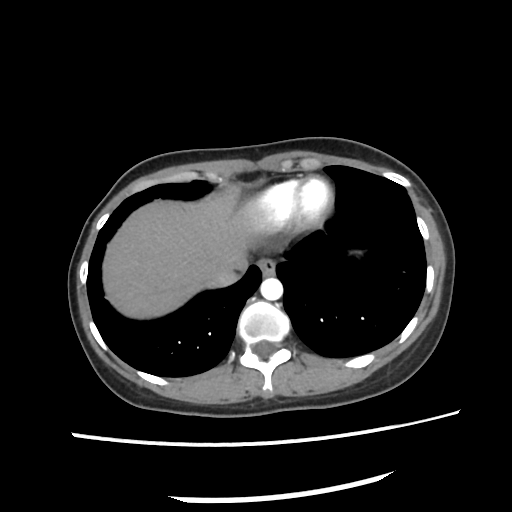
CT abdomen. axial view. 512x512 px. 34-year-old female patient
Bounding boxes in pixels, one row per box: x1, y1 is the top-left corner and x2, y2 the bottom-right.
| organ | x1 | y1 | x2 | y2 |
|---|---|---|---|---|
| inferior vena cava | 207 | 273 | 238 | 287 |
| aorta | 260 | 278 | 283 | 300 |
| esophagus | 258 | 258 | 276 | 277 |
| liver | 102 | 193 | 261 | 319 |